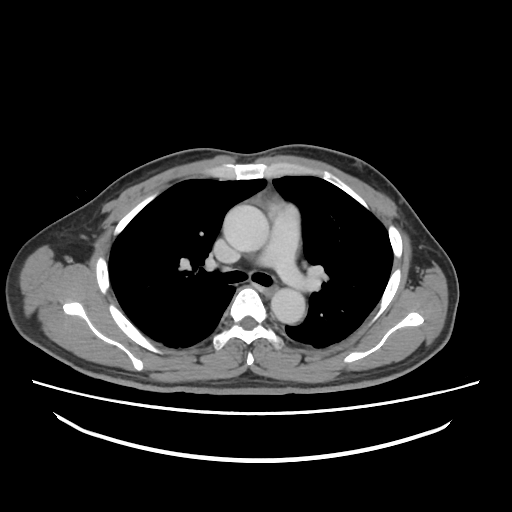

Chest-level CT slice, above the liver and spleen; axial view; W/L 400/40 HU; 31-year-old male patient; scan has 15 labeled organs (counted over the whole 3D scan, not this slice; an organ is boxed only where this slice passes through it)
On a slice this high in the chest, this dataset labels only the esophagus and the aorta, and each is boxed only where it is labeled; the heart, lungs and other chest structures are not labeled. Coordinates as <box>x1,y1,x2,y2</box> in pixels. Labeled organs on this slice: esophagus at <box>263,285,279,297</box>, aorta at <box>223,204,269,252</box>, aorta at <box>271,288,305,324</box>.